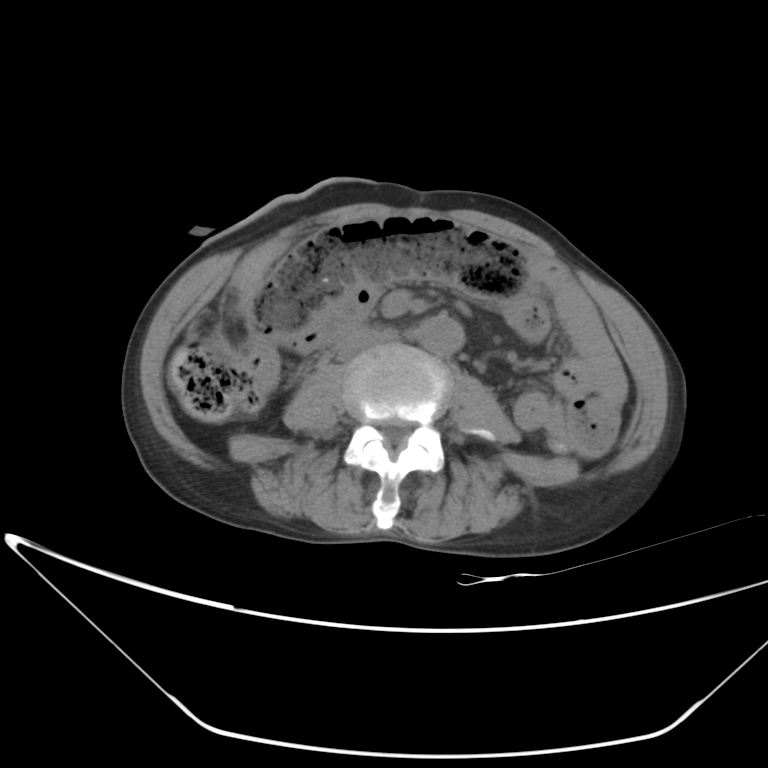
CT, abdomen/pelvis. axial plane, index 44. 15 organs annotated in this scan (that count is for the whole scan; organs this slice misses have no box)
<organs><organ name="aorta" x1="417" y1="313" x2="463" y2="356"/><organ name="inferior vena cava" x1="336" y1="330" x2="395" y2="361"/></organs>